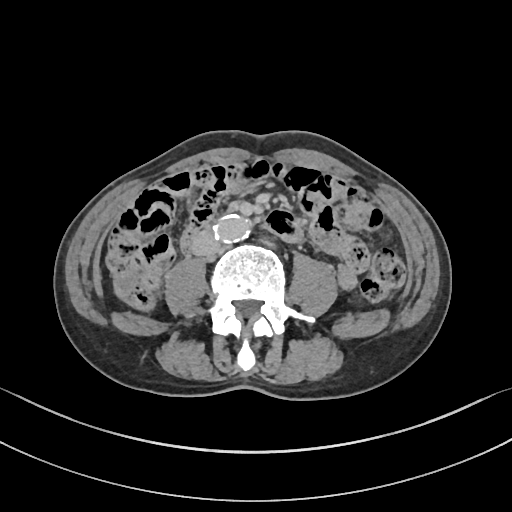

CT abdomen. axial view. abdomen soft-tissue window
Boxes: x1:y1:x2:y2 in pixels.
Organ bounding boxes:
- aorta: 213:215:250:242
- inferior vena cava: 193:232:220:257